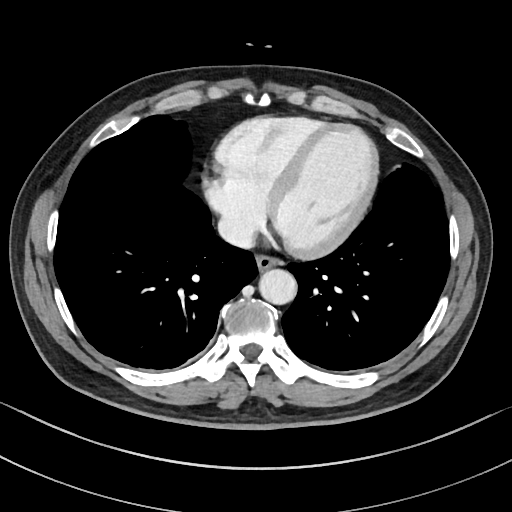
Abdominal CT; this slice is in the lower chest, just above the liver. axial plane, index 215. W/L 400/40 HU. 512x512 px
No part of the heart or lungs is labeled in this dataset, so neither has a box here.
Box edges are left/top/right/bottom in pixels.
Organ bounding boxes:
- aorta: left=259, top=268, right=297, bottom=305
- esophagus: left=256, top=255, right=279, bottom=271
- inferior vena cava: left=218, top=215, right=255, bottom=248